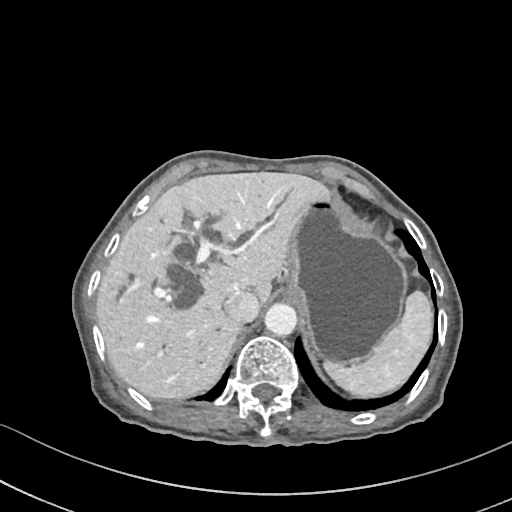 Abdominal CT. Axial slice 195/236. abdomen soft-tissue window. 15 organs annotated in this scan (that count is for the whole scan; organs this slice misses have no box)
Organ boxes in pixel coordinates; each row gives the top-left (x1, y1) and bottom-right (x2, y2) corners.
| organ | x1 | y1 | x2 | y2 |
|---|---|---|---|---|
| spleen | 324 | 291 | 432 | 397 |
| liver | 96 | 172 | 327 | 398 |
| stomach | 284 | 192 | 407 | 364 |
| aorta | 264 | 303 | 297 | 336 |
| inferior vena cava | 223 | 291 | 259 | 322 |